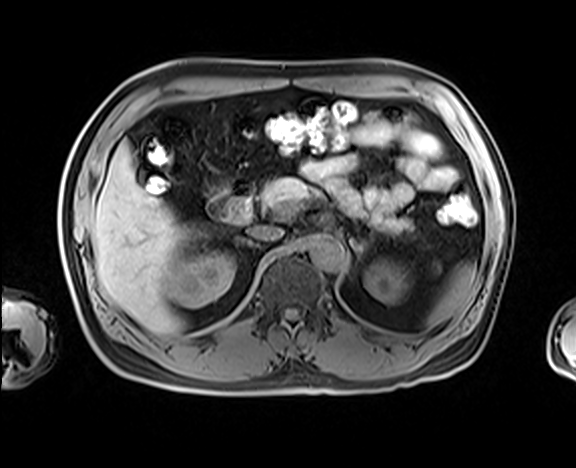
Magnetic resonance imaging, abdomen; axial plane, index 34; scan has 13 labeled organs (counted over the whole 3D scan, not this slice; an organ is boxed only where this slice passes through it)
Boxes are (x1, y1, x2, y2) in pixels. 10 labeled organs on this slice — spleen at (427, 263, 475, 326); right kidney at (165, 252, 234, 308); left kidney at (364, 259, 408, 303); liver at (91, 141, 190, 332); aorta at (308, 235, 345, 268); inferior vena cava at (248, 225, 283, 240); pancreas at (261, 178, 411, 233); right adrenal gland at (235, 236, 255, 247); left adrenal gland at (352, 241, 367, 260); duodenum at (207, 179, 253, 224).